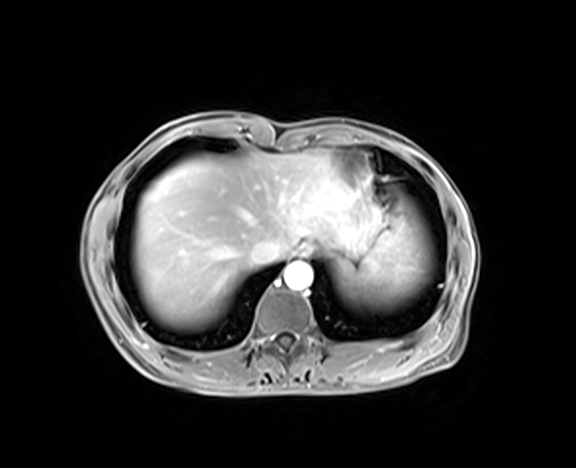
Magnetic resonance imaging, abdomen · axial view · 1st–99th percentile window · acquired on Prisma
Bounding boxes as [x1, y1, x2, y2] in pixel coordinates. Labeled organs on this slice: spleen at [336, 200, 433, 304], esophagus at [292, 243, 311, 257], liver at [133, 152, 351, 325], stomach at [321, 181, 382, 268], aorta at [284, 263, 312, 290], inferior vena cava at [250, 241, 275, 266].